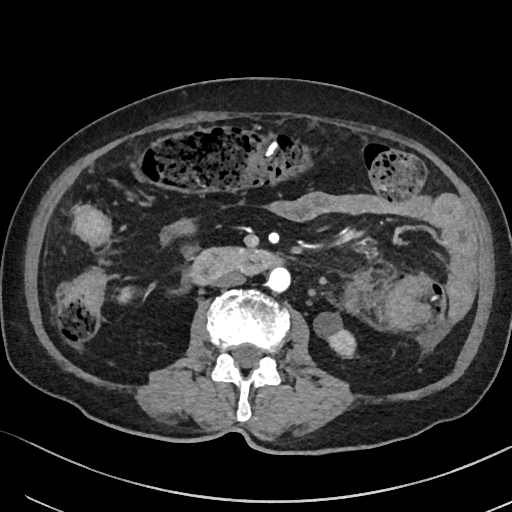 CT, abdomen/pelvis — axial view — SOMATOM Force scanner — 15 organs annotated in this scan (that count is for the whole scan; organs this slice misses have no box)
<organs><organ name="left kidney" x1="314" y1="313" x2="356" y2="356"/><organ name="aorta" x1="267" y1="269" x2="289" y2="293"/><organ name="right kidney" x1="115" y1="288" x2="130" y2="302"/><organ name="inferior vena cava" x1="215" y1="272" x2="244" y2="287"/><organ name="duodenum" x1="189" y1="247" x2="284" y2="286"/></organs>